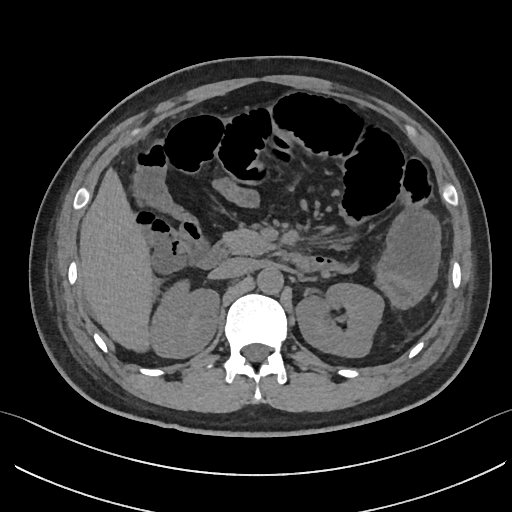 Computed tomography, abdomen. axial view
Bounding boxes in pixels, one row per box: x1, y1 is the top-left corner and x2, y2 the bottom-right.
| organ | x1 | y1 | x2 | y2 |
|---|---|---|---|---|
| aorta | 258 | 268 | 283 | 294 |
| duodenum | 200 | 244 | 228 | 268 |
| right kidney | 152 | 282 | 219 | 357 |
| liver | 78 | 167 | 153 | 352 |
| inferior vena cava | 213 | 258 | 253 | 278 |
| left kidney | 296 | 283 | 383 | 357 |
| pancreas | 219 | 224 | 270 | 254 |